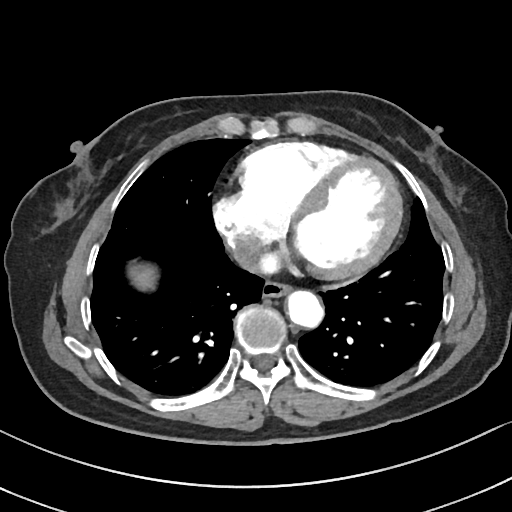 CT abdomen — Axial slice 209/294 — 512x512 px
Coordinates as <box>x1,y1,x2,y2</box> in pixels.
Organ bounding boxes:
- esophagus: <box>262,281,291,297</box>
- liver: <box>129,264,156,290</box>
- aorta: <box>287,290,323,327</box>
- inferior vena cava: <box>235,252,252,268</box>